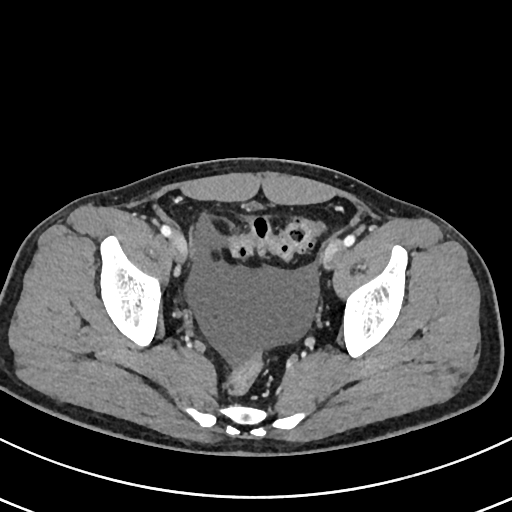
CT, abdomen/pelvis; axial plane, index 41; soft-tissue window (W 400 / L 40)
Boxes: x1:y1:x2:y2 in pixels. Labeled organs on this slice: bladder at 241:201:262:208.